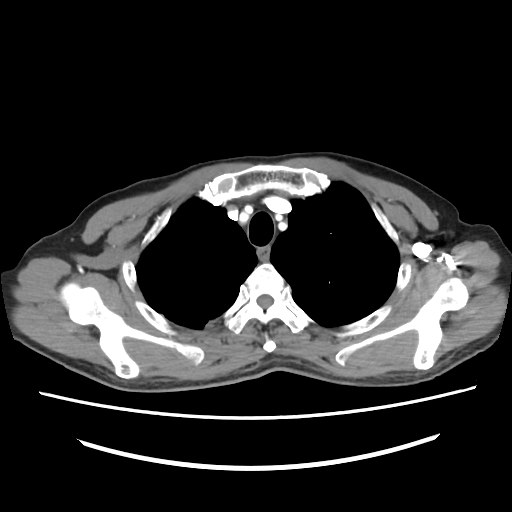
Chest-level slice from an abdominal CT that extends up into the chest. axial view. 512x512 px. 65-year-old male patient
At this level of the chest no structure but the esophagus and the aorta has a label in this dataset, and those two are boxed only where they are labeled.
{"organs":{"esophagus":[256,246,270,259]}}